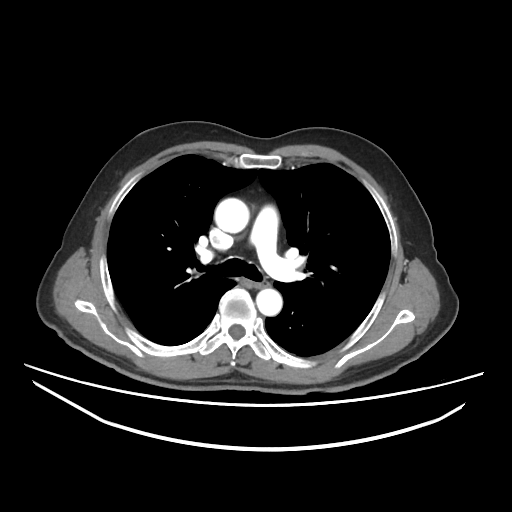
Abdominal CT reaching into the chest; this slice is in the chest; axial view; soft-tissue window (W 400 / L 40); 512x512 px; 58-year-old male patient; Aquilion ONE scanner
At this level of the chest no structure but the esophagus and the aorta has a label in this dataset, and those two are boxed only where they are labeled.
Boxes: x1:y1:x2:y2 in pixels.
Organ bounding boxes:
- esophagus: 255:281:270:288
- aorta: 215:198:249:233
- aorta: 256:288:282:315